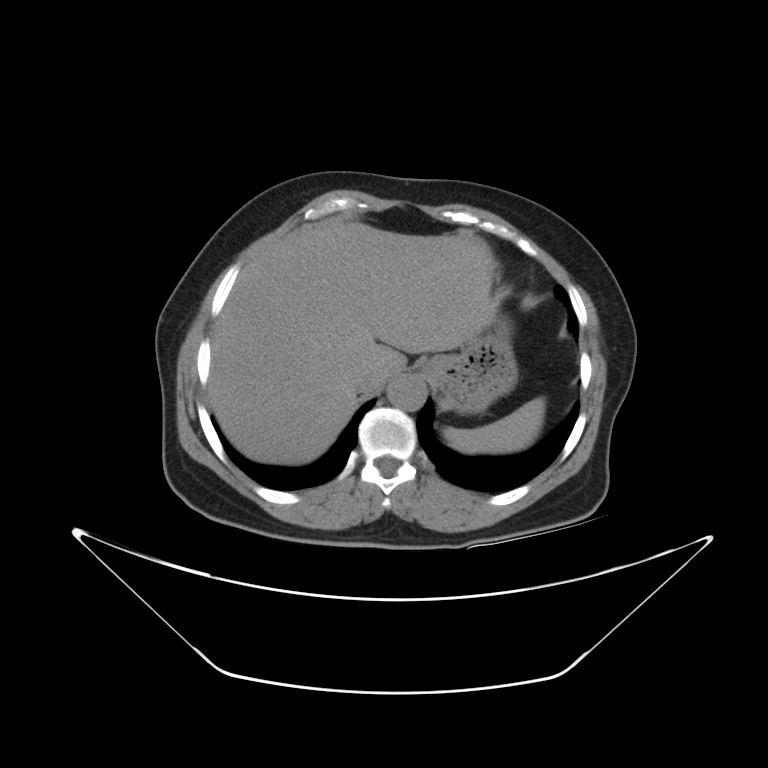 CT abdomen — axial plane, index 76 — soft-tissue window (W 400 / L 40) — 768x768 px — 56-year-old female patient
<organs><organ name="inferior vena cava" x1="354" y1="372" x2="384" y2="397"/><organ name="stomach" x1="416" y1="324" x2="517" y2="415"/><organ name="aorta" x1="386" y1="371" x2="427" y2="412"/><organ name="spleen" x1="444" y1="398" x2="544" y2="452"/><organ name="liver" x1="207" y1="221" x2="491" y2="464"/></organs>